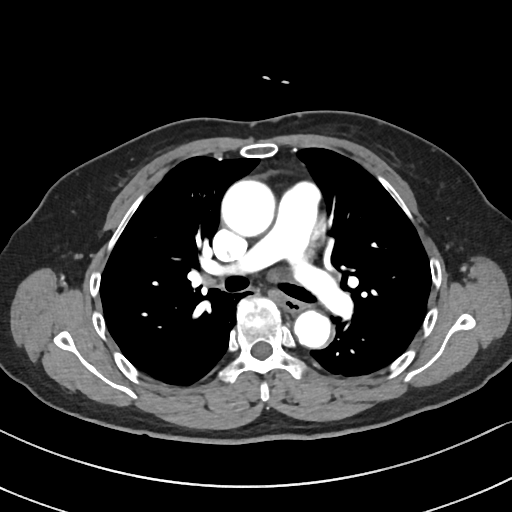 Chest-level slice from an abdominal CT that extends up into the chest — axial view
At this level of the chest this dataset labels only the esophagus and the aorta, and each is boxed only where it is labeled; the heart and lungs are never labeled. Boxes are (x1, y1, x2, y2) in pixels. Labeled organs on this slice: esophagus at (280, 298, 304, 313), aorta at (221, 180, 275, 236), aorta at (294, 310, 332, 348).